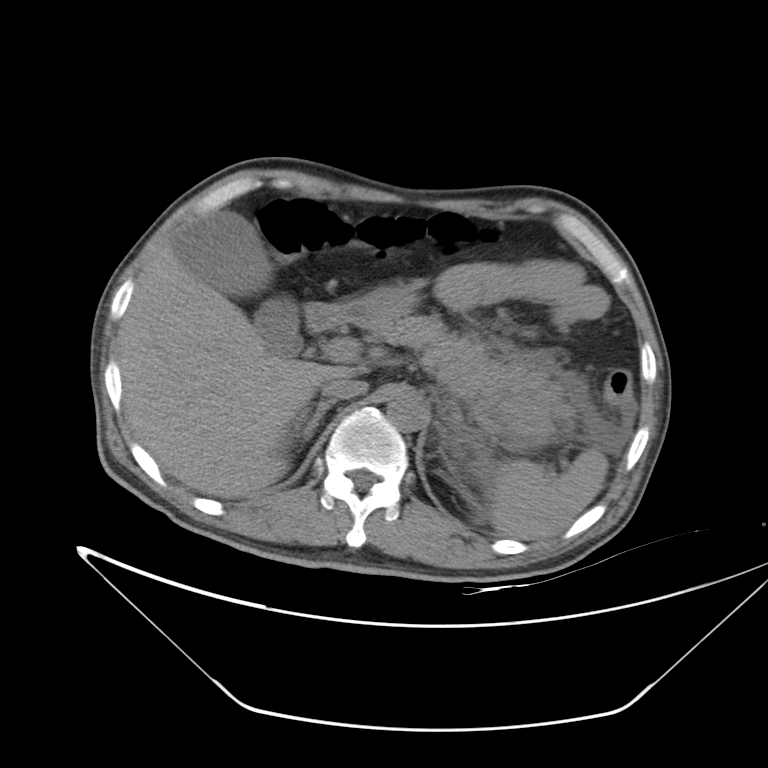
Computed tomography, abdomen. axial view. 768x768 px. 47-year-old male patient
<organs><organ name="duodenum" x1="304" y1="302" x2="354" y2="331"/><organ name="pancreas" x1="359" y1="315" x2="573" y2="439"/><organ name="inferior vena cava" x1="320" y1="379" x2="368" y2="400"/><organ name="aorta" x1="386" y1="393" x2="428" y2="432"/><organ name="stomach" x1="351" y1="287" x2="417" y2="322"/><organ name="gall bladder" x1="173" y1="212" x2="302" y2="357"/><organ name="spleen" x1="489" y1="450" x2="608" y2="540"/><organ name="right adrenal gland" x1="295" y1="399" x2="335" y2="443"/><organ name="liver" x1="117" y1="210" x2="352" y2="498"/></organs>